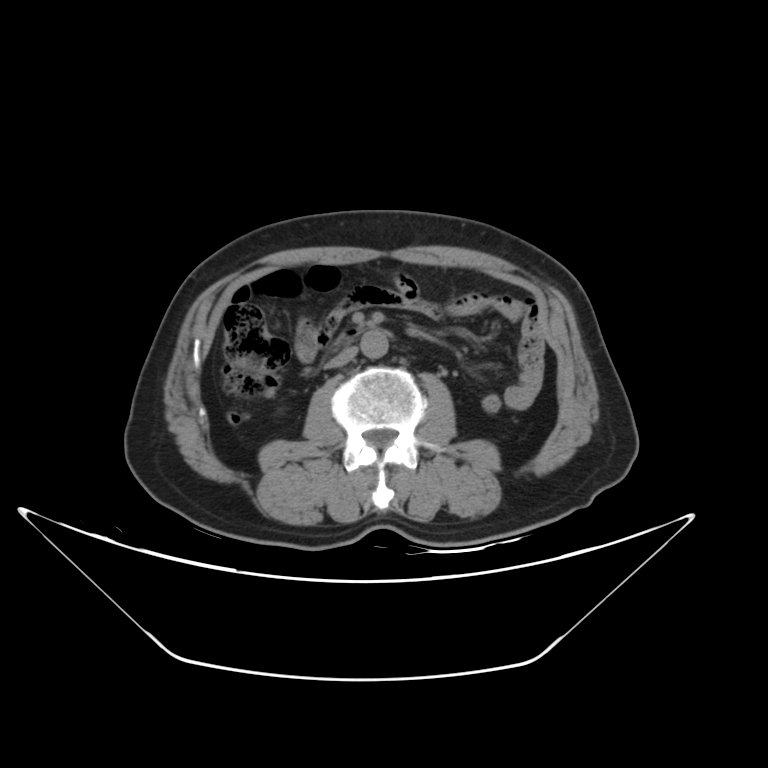
CT, abdomen/pelvis. Axial slice 64/101. W/L 400/40 HU. Brilliance16 scanner
Coordinates as <box>x1,y1,x2,y2</box> in pixels. Labeled organs on this slice: aorta at <box>361,331,388,359</box>, inferior vena cava at <box>323,347,358,368</box>, duodenum at <box>335,325,405,349</box>.